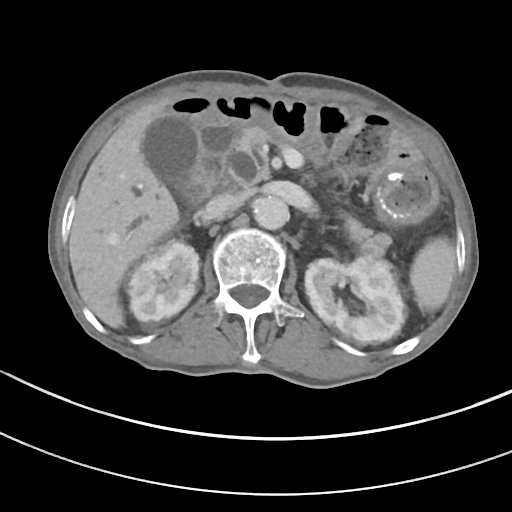 CT abdomen · axial view · 512x512 px
One row per box, in pixels: columns x1 and y1 give the top-left corner, x2 and y2 the bottom-right.
| organ | x1 | y1 | x2 | y2 |
|---|---|---|---|---|
| spleen | 409 | 237 | 455 | 311 |
| right kidney | 125 | 241 | 199 | 326 |
| left kidney | 305 | 255 | 405 | 345 |
| gall bladder | 143 | 114 | 197 | 187 |
| liver | 69 | 102 | 178 | 327 |
| stomach | 178 | 116 | 438 | 225 |
| aorta | 253 | 195 | 289 | 229 |
| inferior vena cava | 205 | 193 | 241 | 219 |
| pancreas | 237 | 126 | 391 | 257 |
| duodenum | 185 | 120 | 236 | 202 |